Abdominal CT · axial view · 512x512 px · 15 organs annotated in this scan (a whole-scan count: organs this slice does not pass through have no box)
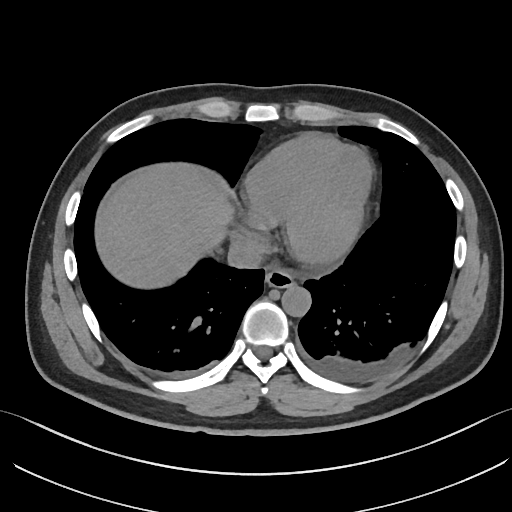 {"organs":{"esophagus":[265,267,294,287],"liver":[95,162,234,288],"aorta":[281,284,310,316],"inferior vena cava":[227,240,262,268]}}